CT abdomen; axial view; abdomen soft-tissue window
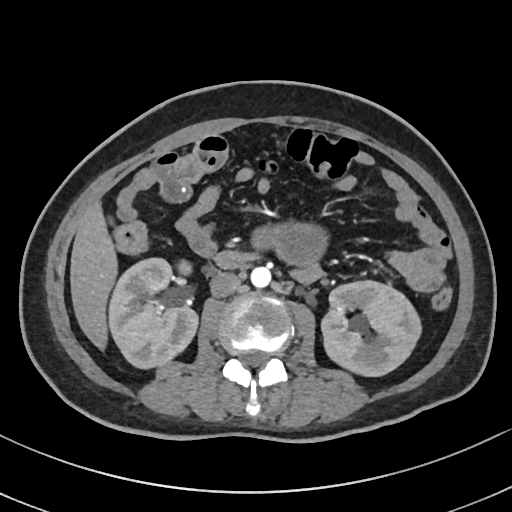 <organs><organ name="right kidney" x1="107" y1="258" x2="197" y2="367"/><organ name="left kidney" x1="320" y1="281" x2="419" y2="375"/><organ name="liver" x1="70" y1="206" x2="116" y2="347"/><organ name="aorta" x1="251" y1="266" x2="271" y2="287"/><organ name="inferior vena cava" x1="210" y1="271" x2="241" y2="297"/><organ name="duodenum" x1="217" y1="249" x2="258" y2="267"/></organs>